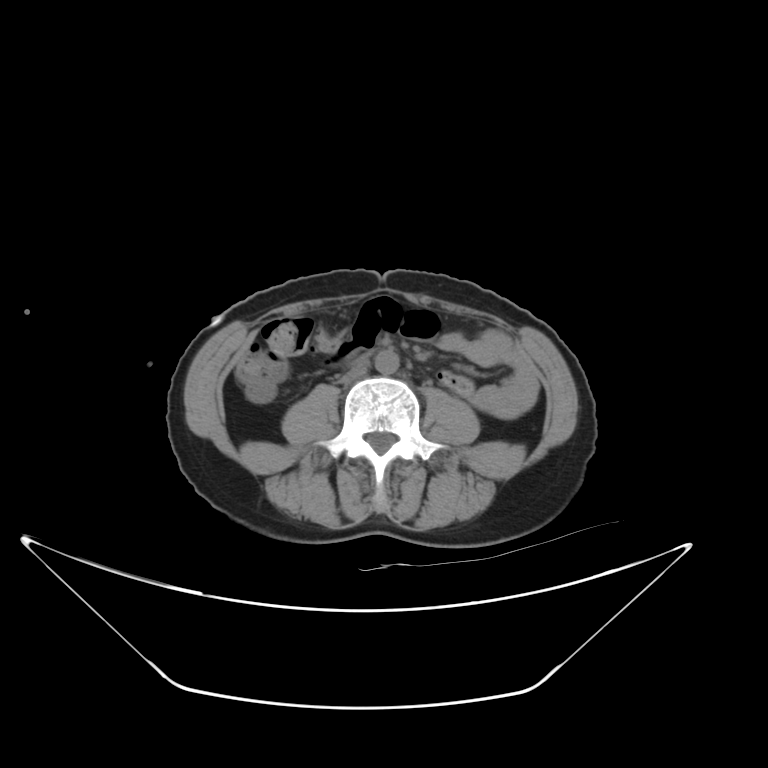
CT abdomen; axial view; acquired on Brilliance16
Bounding boxes as [x1, y1, x2, y2] in pixel coordinates.
aorta: [375, 350, 398, 374]
inferior vena cava: [337, 366, 367, 383]
duodenum: [350, 348, 374, 364]